Chest-level slice from an abdominal CT that extends up into the chest · axial view · scan has 15 labeled organs (that count is for the whole scan; organs this slice misses have no box)
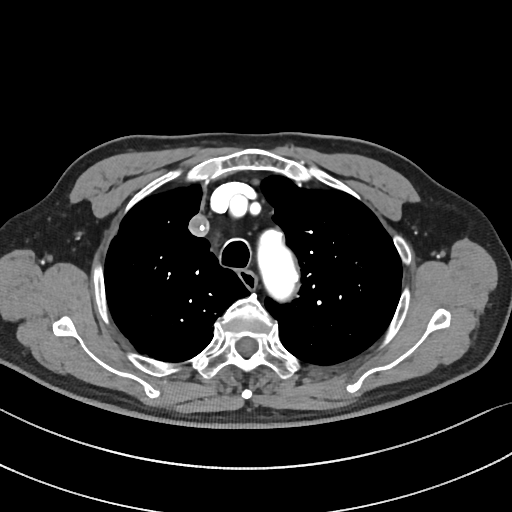
On a slice this high in the chest, this dataset labels only the esophagus and the aorta, and each is boxed only where it is labeled; the heart, lungs and other chest structures are not labeled.
Each box given as x1,y1,x2,y2.
Organ bounding boxes:
- esophagus: x1=239, y1=270, x2=256, y2=290
- aorta: x1=259, y1=246, x2=295, y2=295